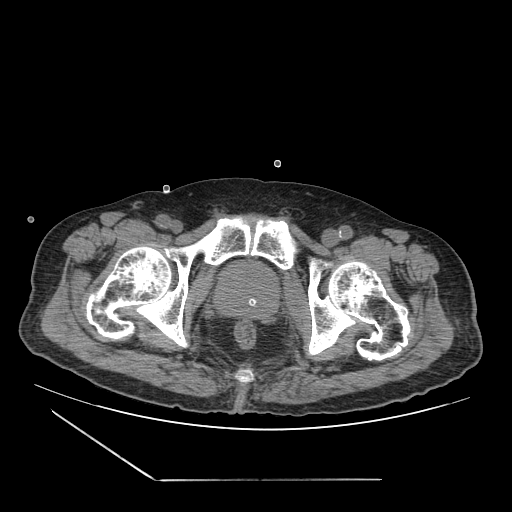

CT abdomen; Axial slice 20/187
Boxes: x1:y1:x2:y2 in pixels.
Organ bounding boxes:
- prostate/uterus: 215:261:278:318